Computed tomography, abdomen · Axial slice 186/212 · W/L 400/40 HU
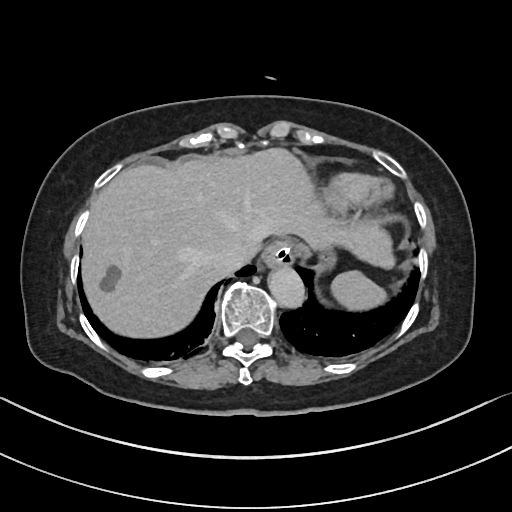
Each box given as x1,y1,x2,y2.
spleen: x1=331, y1=270, x2=386, y2=310
esophagus: x1=262, y1=242, x2=294, y2=267
liver: x1=82, y1=148, x2=393, y2=337
stomach: x1=317, y1=247, x2=335, y2=270
aorta: x1=268, y1=266, x2=304, y2=308
inferior vena cava: x1=213, y1=242, x2=248, y2=271